CT of the abdomen reaching into the lower chest, slice just above the liver and spleen · axial view · soft-tissue window (W 400 / L 40) · 768x768 px
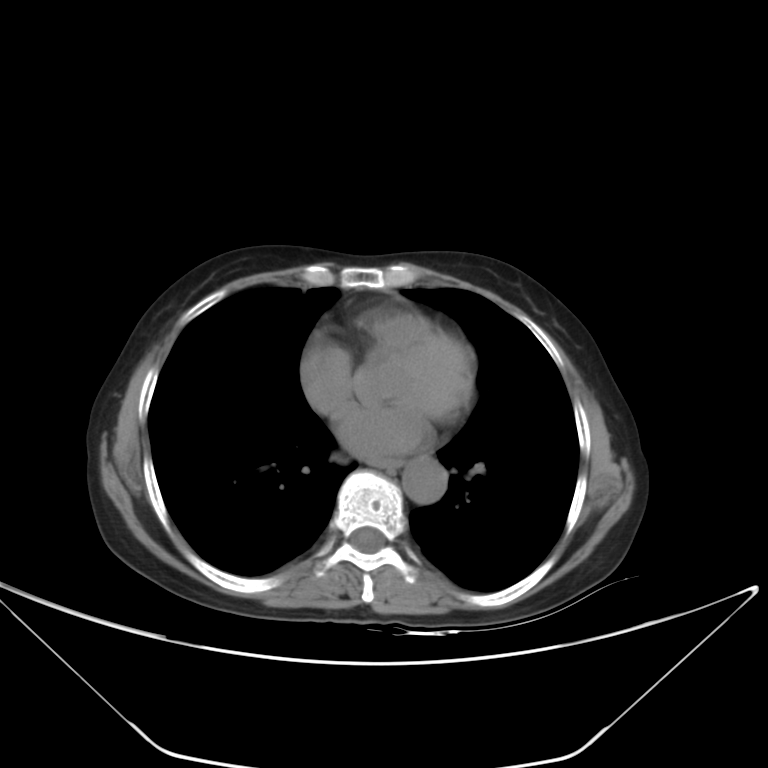

Of the structures in the chest, this dataset labels only the esophagus, the aorta and the inferior vena cava; the heart and lungs have no label.
{"organs":{"esophagus":[375,459,404,468],"aorta":[402,458,446,503]}}